Chest-level CT slice, above the liver and spleen; axial view; soft-tissue window, W/L 400/40
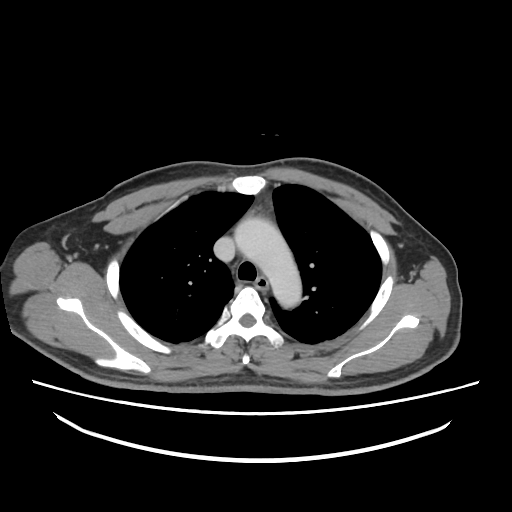
At this level of the chest this dataset labels only the esophagus and the aorta, and each is boxed only where it is labeled; the heart and lungs are never labeled.
<organs><organ name="esophagus" x1="255" y1="277" x2="267" y2="288"/><organ name="aorta" x1="234" y1="217" x2="301" y2="308"/></organs>